Computed tomography, abdomen; axial plane, index 226; abdomen soft-tissue window; 512x512 px
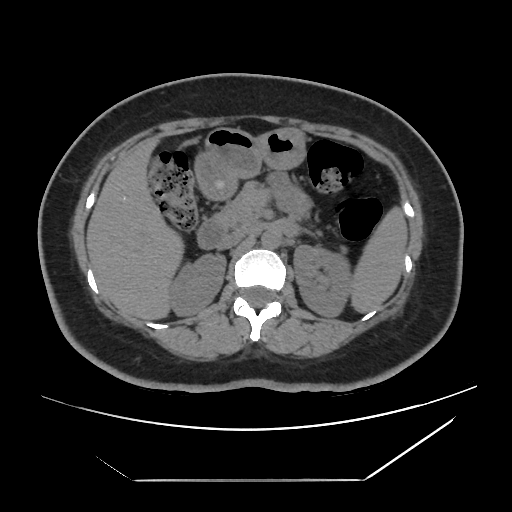 <organs><organ name="spleen" x1="350" y1="206" x2="407" y2="313"/><organ name="right kidney" x1="169" y1="254" x2="226" y2="316"/><organ name="left kidney" x1="293" y1="245" x2="351" y2="316"/><organ name="liver" x1="86" y1="137" x2="183" y2="320"/><organ name="stomach" x1="194" y1="127" x2="306" y2="199"/><organ name="aorta" x1="261" y1="228" x2="282" y2="248"/><organ name="inferior vena cava" x1="217" y1="229" x2="247" y2="249"/><organ name="pancreas" x1="216" y1="181" x2="319" y2="233"/><organ name="duodenum" x1="197" y1="216" x2="226" y2="249"/></organs>